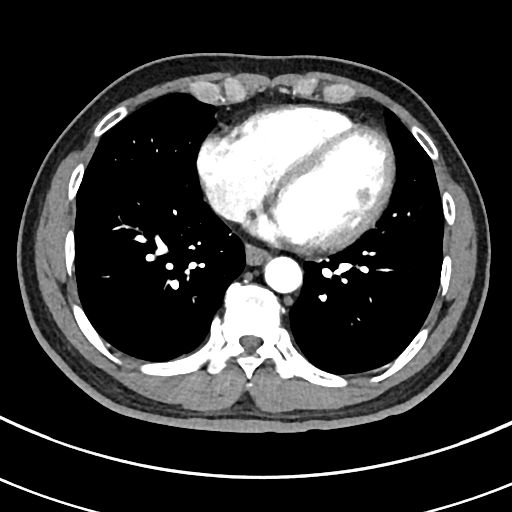 CT of the abdomen reaching into the lower chest, slice just above the liver and spleen; Axial slice 206/302; 512x512 px
The heart and lungs are never labeled in this dataset, so they have no box on this slice.
<organs><organ name="esophagus" x1="246" y1="245" x2="269" y2="264"/><organ name="aorta" x1="264" y1="256" x2="302" y2="292"/><organ name="inferior vena cava" x1="211" y1="192" x2="243" y2="218"/></organs>